Abdominal CT · axial view · W/L 400/40 HU · 768x768 px · acquired on Brilliance16 · 13 organs annotated in this scan (a whole-scan count: organs this slice does not pass through have no box)
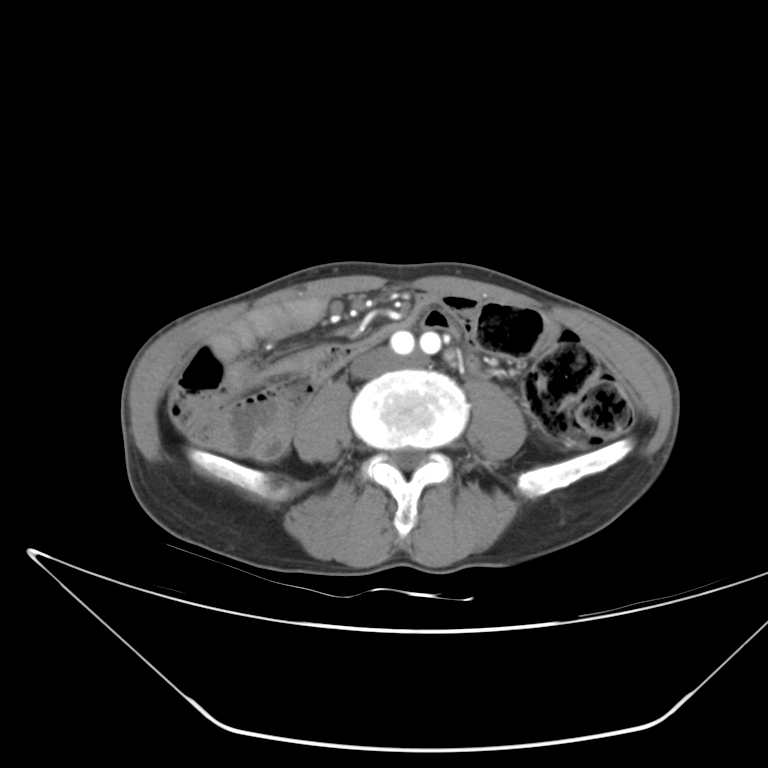
Bounding boxes as [x1, y1, x2, y2] in pixel coordinates. The annotated organs in this slice are: inferior vena cava at [351, 349, 393, 377].